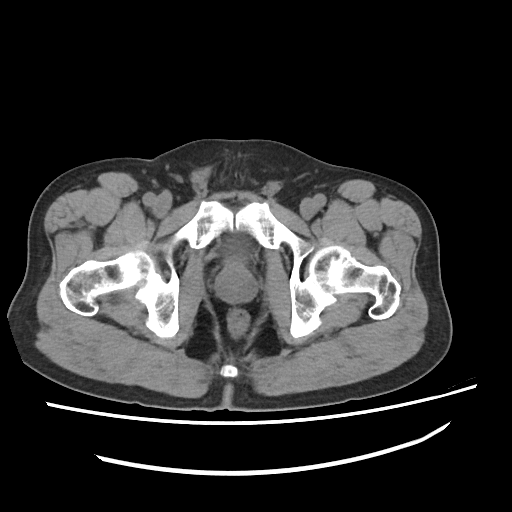 CT, abdomen/pelvis — axial view — 512x512 px — acquired on Aquilion ONE
<organs><organ name="prostate/uterus" x1="216" y1="264" x2="255" y2="301"/></organs>